Computed tomography, abdomen · axial view · W/L 400/40 HU
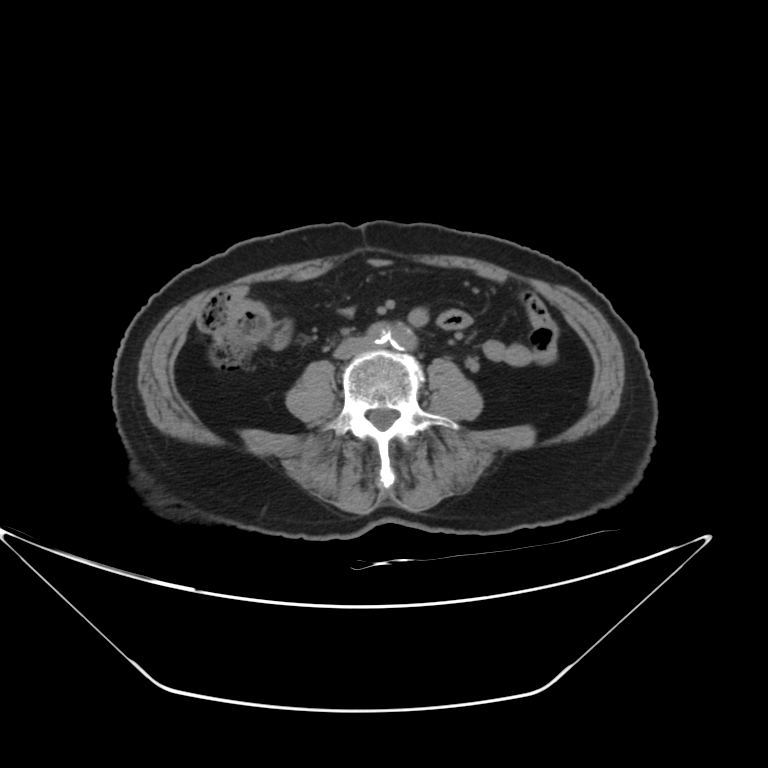
Boxes: x1 y1 x2 y2 (pixel coords, space-separated). 1 labeled organ on this slice — inferior vena cava at 334 337 370 359.